Computed tomography, abdomen; axial view; soft-tissue window (W 400 / L 40); 15 organs annotated in this scan (that count is for the whole scan; organs this slice misses have no box)
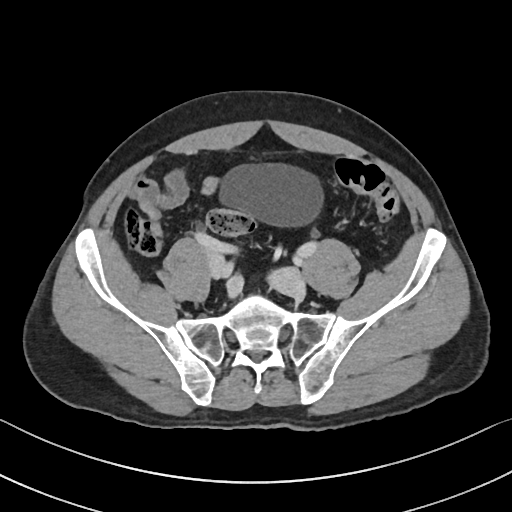

Coordinates as <box>x1,y1,x2,y2</box> in pixels.
Organ bounding boxes:
- bladder: <box>217,163,324,228</box>